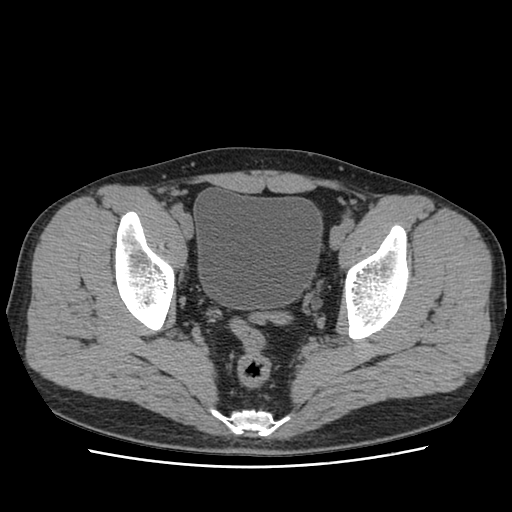

CT, abdomen/pelvis. axial plane, index 38. 512x512 px. scan has 15 labeled organs (that count is for the whole scan; organs this slice misses have no box)
<organs><organ name="bladder" x1="193" y1="188" x2="322" y2="308"/></organs>